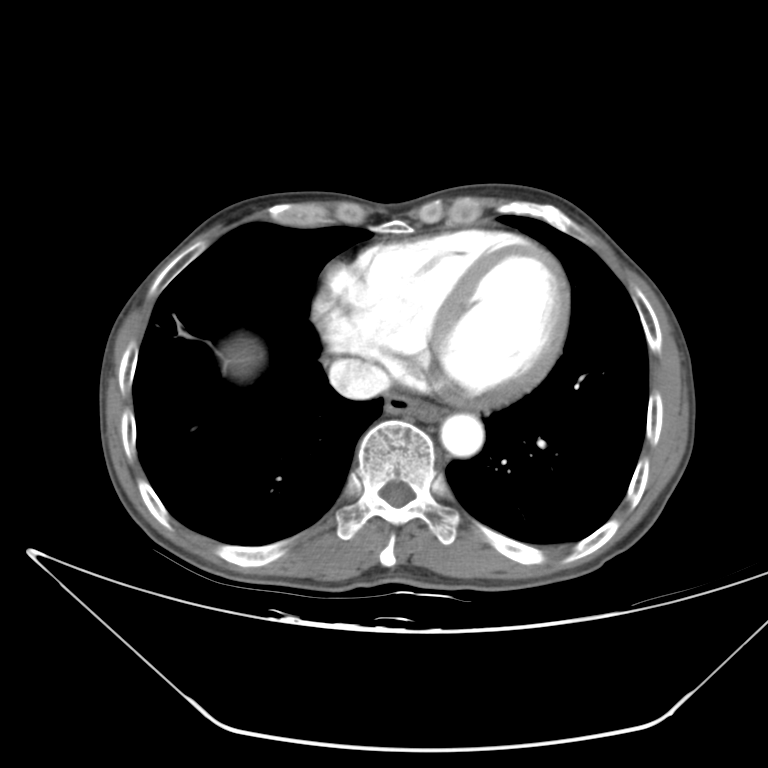
Abdominal CT — axial plane, index 59 — abdomen soft-tissue window — 768x768 px — scan has 13 labeled organs (counted over the whole 3D scan, not this slice; an organ is boxed only where this slice passes through it)
Boxes: x1 y1 x2 y2 (pixel coords, space-separated).
esophagus: 385 393 443 421
liver: 223 338 262 375
aorta: 440 413 484 456
inferior vena cava: 328 358 389 399